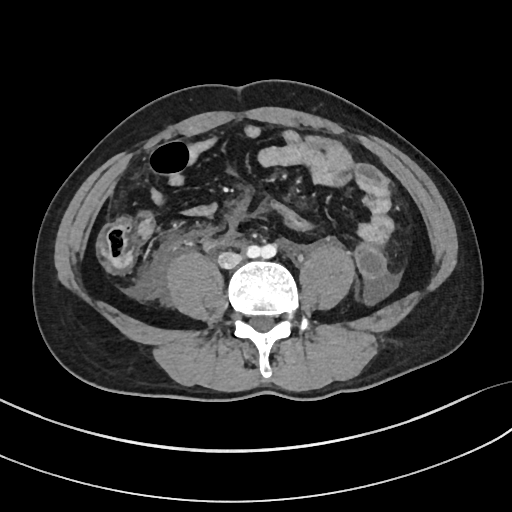 CT, abdomen/pelvis; axial view; acquired on SOMATOM Force
Boxes: x1:y1:x2:y2 in pixels. 1 labeled organ on this slice — inferior vena cava at 218:252:241:267.